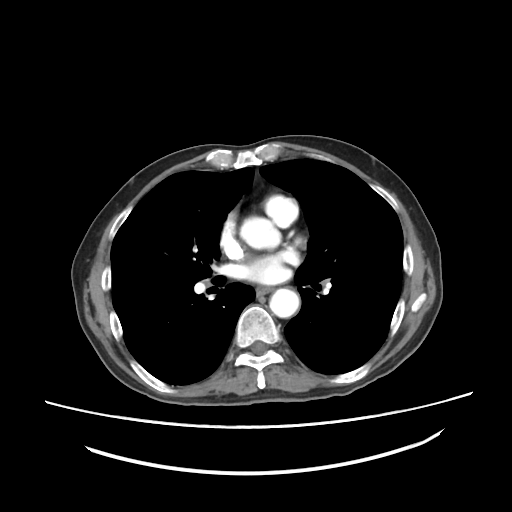
Abdominal CT reaching into the chest; this slice is in the chest. axial plane, index 99. 68-year-old male patient
At this level of the chest no structure but the esophagus and the aorta has a label in this dataset, and those two are boxed only where they are labeled. Box edges are left/top/right/bottom in pixels. The annotated organs in this slice are: esophagus at left=257, top=287, right=269, bottom=293, aorta at left=269, top=288, right=299, bottom=317.